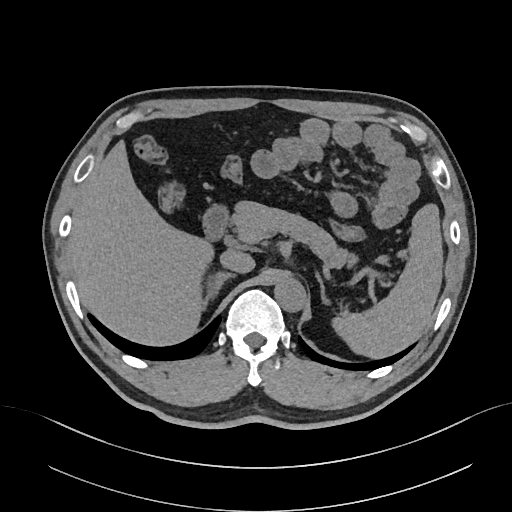 Computed tomography, abdomen. axial view. scan has 15 labeled organs (that count is for the whole scan; organs this slice misses have no box)
Boxes: x1:y1:x2:y2 in pixels.
Organ bounding boxes:
- liver: 67:140:213:345
- pancreas: 231:201:357:267
- aorta: 274:278:305:311
- duodenum: 203:204:228:241
- inferior vena cava: 220:249:254:273
- right adrenal gland: 201:271:236:309
- spleen: 332:204:443:358
- left adrenal gland: 316:272:329:304